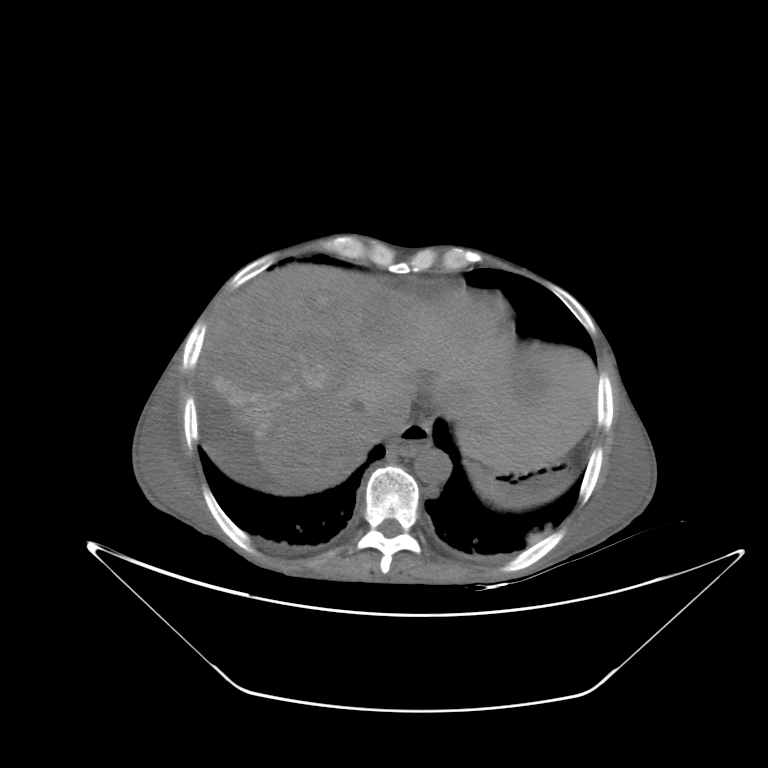

CT, abdomen/pelvis · axial plane, index 95 · soft-tissue window · 56-year-old male patient
Boxes are (x1, y1, x2, y2) in pixels. Labeled organs on this slice: liver at (198, 264, 597, 493), inferior vena cava at (369, 392, 410, 441), aorta at (414, 448, 451, 482), stomach at (474, 461, 573, 509), esophagus at (387, 421, 431, 456).